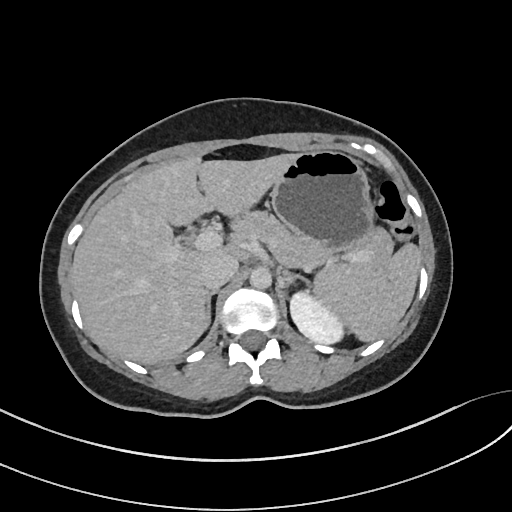
Abdominal CT — axial view — W/L 400/40 HU — 512x512 px
Each box given as x1,y1,x2,y2.
pancreas: x1=236, y1=211, x2=392, y2=272
stomach: x1=270, y1=148, x2=375, y2=261
spleen: x1=314, y1=243, x2=422, y2=342
right adrenal gland: x1=206, y1=290, x2=217, y2=328
left adrenal gland: x1=280, y1=270, x2=313, y2=289
inferior vena cava: x1=201, y1=255, x2=238, y2=290
left kidney: x1=290, y1=291, x2=343, y2=343
aorta: x1=249, y1=267, x2=271, y2=289
liver: x1=71, y1=153, x2=296, y2=364